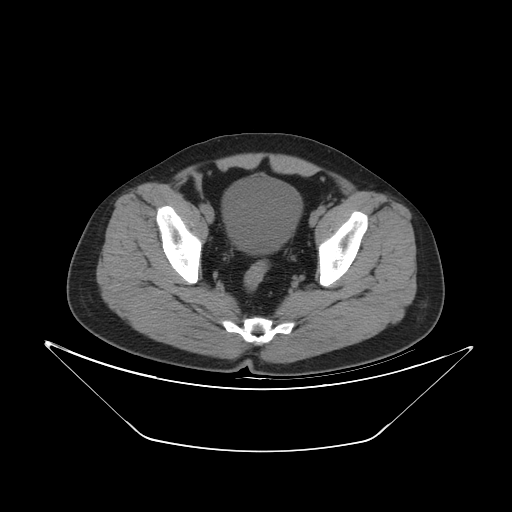 CT, abdomen/pelvis — axial view — abdomen soft-tissue window — scan has 15 labeled organs (that count is for the whole scan; organs this slice misses have no box)
{"organs":{"bladder":[222,174,302,254]}}